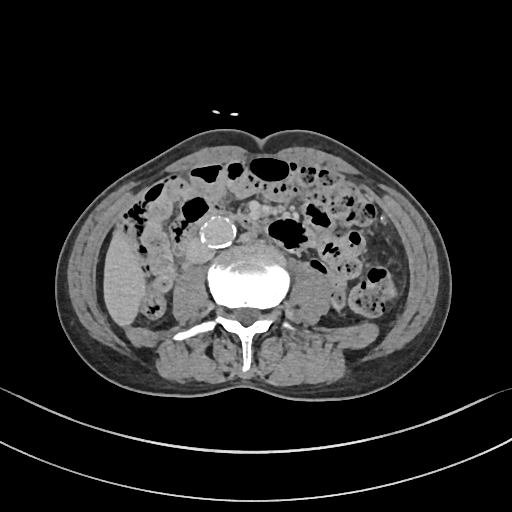 Abdominal CT — axial view — abdomen soft-tissue window
Boxes are (x1, y1, x2, y2) in pixels.
liver: (103, 234, 144, 324)
duodenum: (239, 215, 260, 232)
inferior vena cava: (187, 240, 214, 262)
aorta: (201, 217, 236, 247)